Computed tomography, abdomen — Axial slice 44/303 — soft-tissue window — 512x512 px
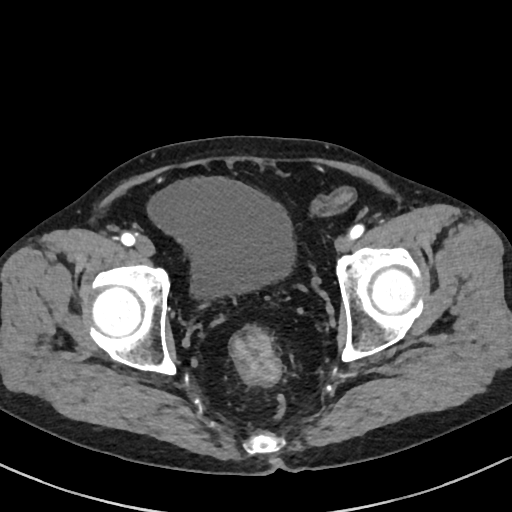

Organ boxes in pixel coordinates; each row gives the top-left (x1, y1) and bottom-right (x2, y2) corners.
| organ | x1 | y1 | x2 | y2 |
|---|---|---|---|---|
| bladder | 148 | 177 | 294 | 298 |